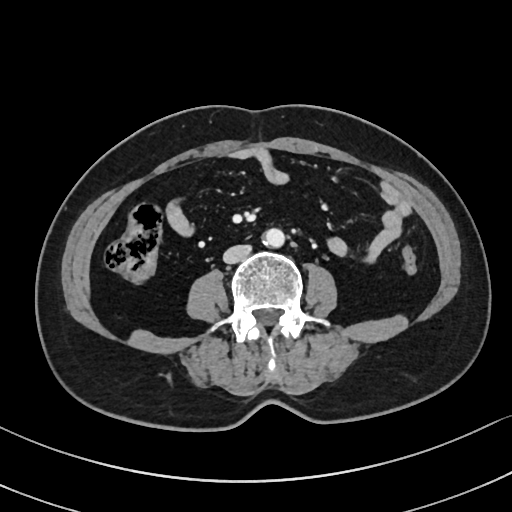
Abdominal CT; axial view; 512x512 px
Bounding boxes in pixels, one row per box: x1, y1 is the top-left corner and x2, y2 the bottom-right.
| organ | x1 | y1 | x2 | y2 |
|---|---|---|---|---|
| aorta | 263 | 228 | 285 | 247 |
| inferior vena cava | 223 | 245 | 251 | 263 |